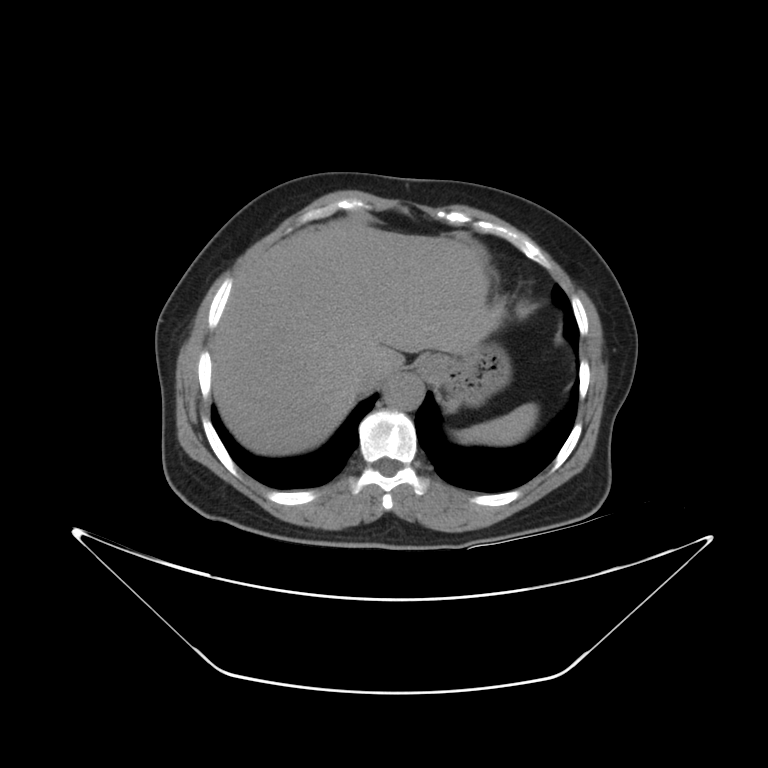 Computed tomography, abdomen; Axial slice 78/91; soft-tissue window (W 400 / L 40); 56-year-old female patient; scan has 15 labeled organs (counted over the whole 3D scan, not this slice; an organ is boxed only where this slice passes through it)
<organs><organ name="liver" x1="211" y1="218" x2="491" y2="457"/><organ name="stomach" x1="414" y1="349" x2="510" y2="404"/><organ name="aorta" x1="384" y1="375" x2="423" y2="412"/><organ name="spleen" x1="460" y1="402" x2="537" y2="443"/><organ name="esophagus" x1="441" y1="372" x2="443" y2="374"/><organ name="inferior vena cava" x1="357" y1="370" x2="385" y2="396"/></organs>